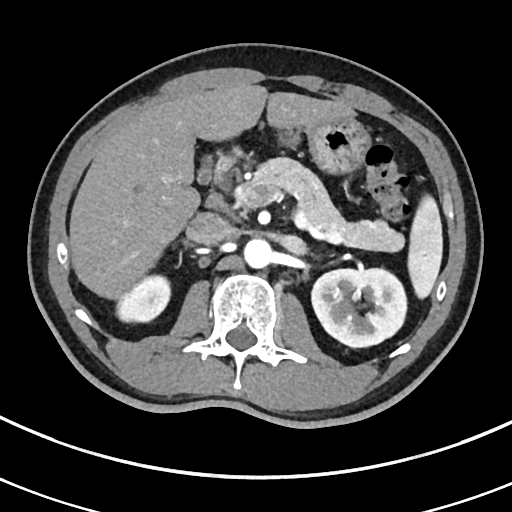

CT, abdomen/pelvis · axial view · acquired on SOMATOM Force · 15 organs annotated in this scan (that count is for the whole scan; organs this slice misses have no box)
One row per box, in pixels: columns x1 and y1 give the top-left corner, x2 and y2 the bottom-right.
| organ | x1 | y1 | x2 | y2 |
|---|---|---|---|---|
| spleen | 407 | 195 | 442 | 298 |
| right kidney | 115 | 274 | 170 | 322 |
| left kidney | 311 | 269 | 406 | 347 |
| gall bladder | 198 | 165 | 210 | 183 |
| liver | 69 | 84 | 354 | 298 |
| stomach | 277 | 118 | 370 | 174 |
| aorta | 243 | 238 | 272 | 268 |
| inferior vena cava | 186 | 212 | 232 | 245 |
| pancreas | 250 | 157 | 403 | 251 |
| duodenum | 208 | 149 | 239 | 180 |